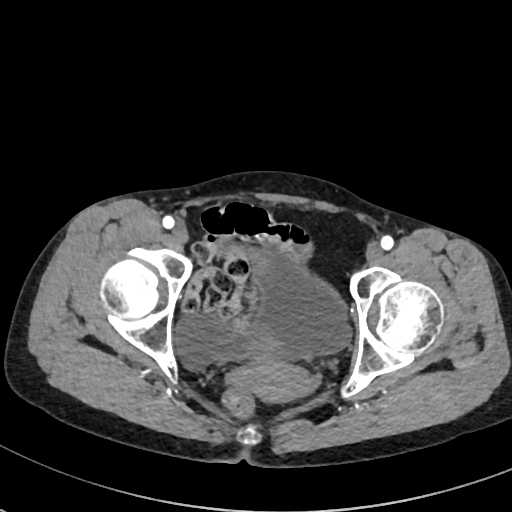

Abdominal CT; axial view; abdomen soft-tissue window; acquired on SOMATOM Force; 15 organs annotated in this scan (a whole-scan count: organs this slice does not pass through have no box)
<organs><organ name="bladder" x1="175" y1="256" x2="350" y2="367"/><organ name="prostate/uterus" x1="242" y1="333" x2="310" y2="401"/></organs>